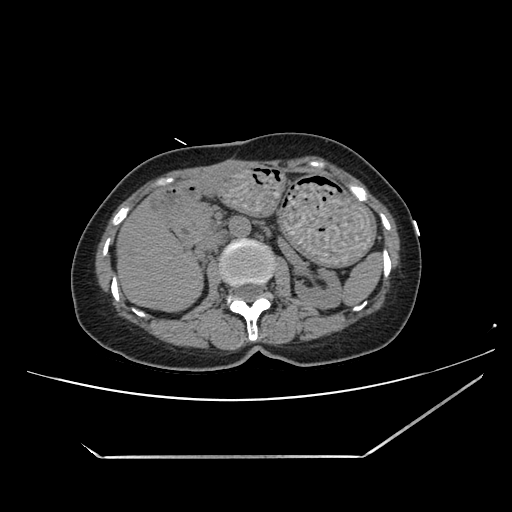
CT, abdomen/pelvis — axial view — SOMATOM Force scanner
Box edges are left/top/right/bottom in pixels.
stomach: left=174, top=162, right=377, bottom=265
aorta: left=229, top=216, right=250, bottom=237
liver: left=116, top=199, right=203, bottom=312
left kidney: left=295, top=268, right=342, bottom=309
spleen: left=343, top=252, right=382, bottom=305
pancreas: left=172, top=198, right=213, bottom=244
duodenum: left=150, top=188, right=191, bottom=246
inferior vena cava: left=197, top=233, right=223, bottom=252